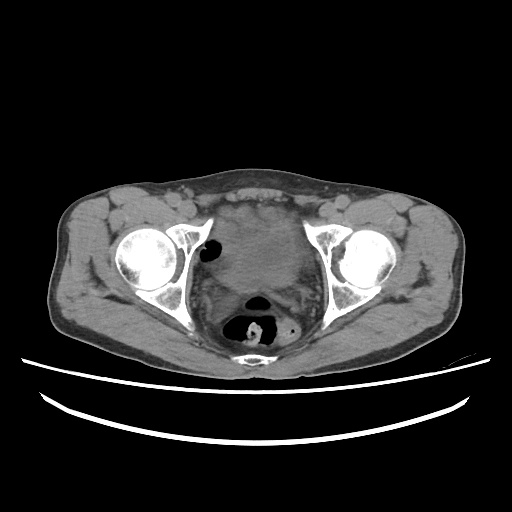

CT, abdomen/pelvis · axial view · soft-tissue window · 54-year-old male patient
Coordinates as <box>x1,y1,x2,y2</box> in pixels.
bladder: <box>228,224,297,289</box>